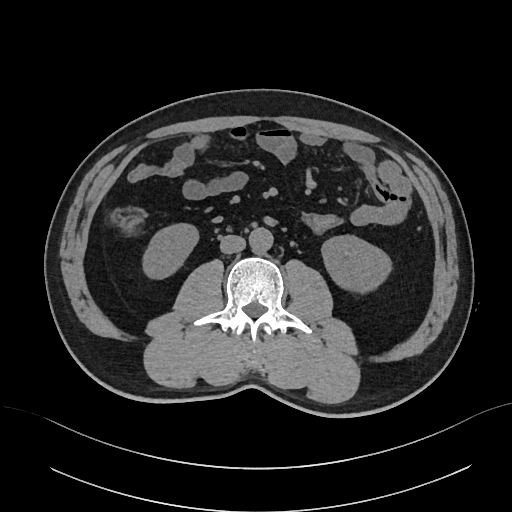

Computed tomography, abdomen · Axial slice 141/265 · W/L 400/40 HU · 512x512 px · acquired on SOMATOM Force
Bounding boxes in pixels, one row per box: x1, y1 is the top-left corner and x2, y2 the bottom-right.
| organ | x1 | y1 | x2 | y2 |
|---|---|---|---|---|
| right kidney | 141 | 222 | 199 | 280 |
| left kidney | 321 | 235 | 392 | 294 |
| aorta | 249 | 227 | 273 | 252 |
| inferior vena cava | 220 | 235 | 245 | 253 |